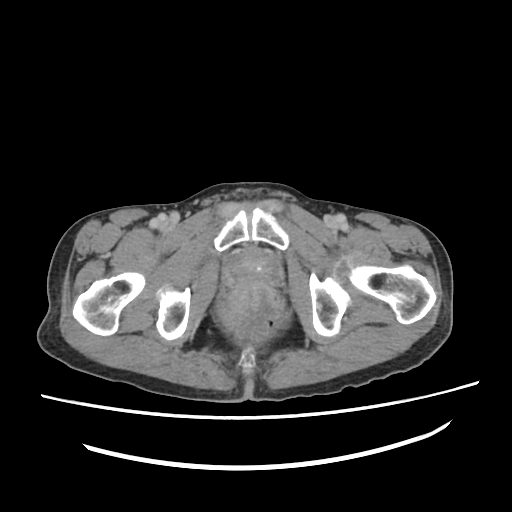
CT abdomen — axial view — W/L 400/40 HU — 512x512 px — 72-year-old male patient
Boxes: x1 y1 x2 y2 (pixel coords, space-separated).
Organ bounding boxes:
- prostate/uterus: 230 253 275 282